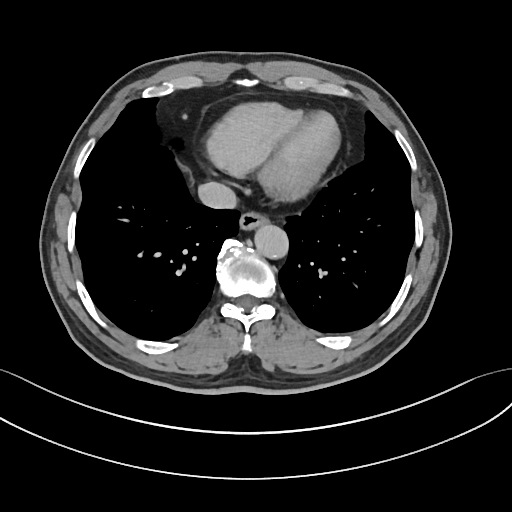
Abdominal CT; this slice is in the lower chest, just above the liver — Axial slice 207/224 — soft-tissue window — 15 organs annotated in this scan (a whole-scan count: organs this slice does not pass through have no box)
Of the structures in the chest, this dataset labels only the esophagus, the aorta and the inferior vena cava; the heart and lungs have no label.
Boxes: x1:y1:x2:y2 in pixels.
esophagus: 239:213:268:228
aorta: 253:223:287:256
inferior vena cava: 198:182:236:208